CT of the abdomen extending into the chest, slice through the chest; axial view; soft-tissue window (W 400 / L 40); 34-year-old female patient
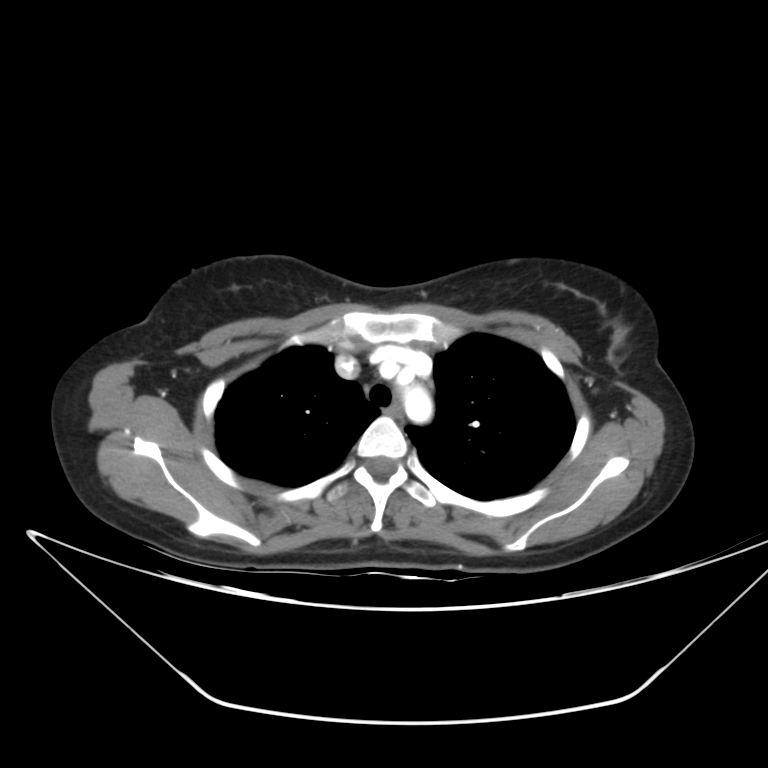 At this level of the chest no structure but the esophagus and the aorta has a label in this dataset, and those two are boxed only where they are labeled.
Coordinates as <box>x1,y1,x2,y2</box> in pixels.
esophagus: <box>385,405,404,418</box>
aorta: <box>397,374,432,423</box>